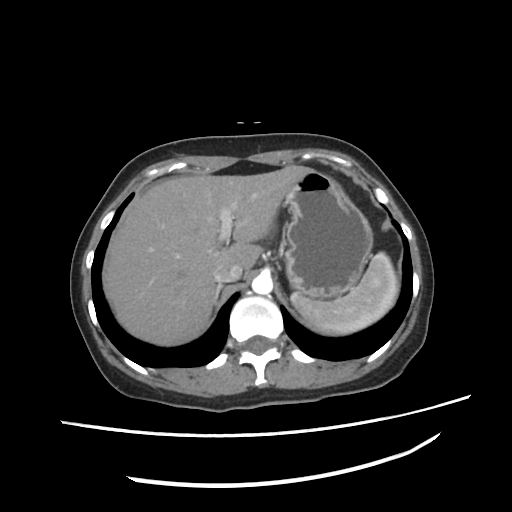 Abdominal CT. axial view. soft-tissue window (W 400 / L 40). acquired on Aquilion ONE
Organ boxes in pixel coordinates; each row gives the top-left (x1, y1) and bottom-right (x2, y2) corners.
| organ | x1 | y1 | x2 | y2 |
|---|---|---|---|---|
| spleen | 290 | 252 | 398 | 335 |
| liver | 101 | 165 | 313 | 345 |
| stomach | 283 | 171 | 373 | 298 |
| aorta | 251 | 275 | 273 | 293 |
| inferior vena cava | 212 | 265 | 244 | 281 |
| right adrenal gland | 214 | 284 | 223 | 302 |